Computed tomography, abdomen; axial view; 512x512 px
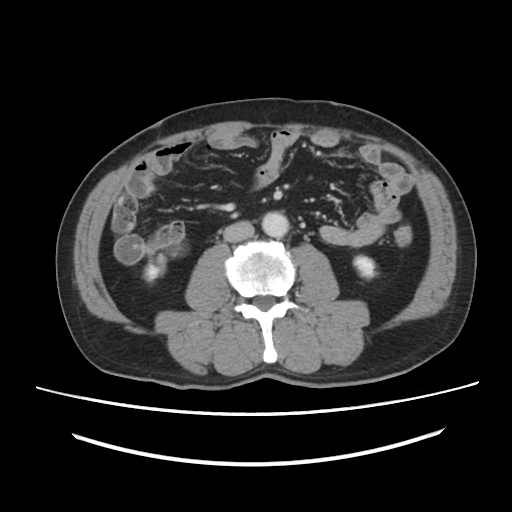
Box edges are left/top/right/bottom in pixels.
right kidney: left=144, top=257, right=164, bottom=281
left kidney: left=354, top=256, right=374, bottom=277
aorta: left=262, top=211, right=288, bottom=237
inferior vena cava: left=223, top=221, right=254, bottom=242